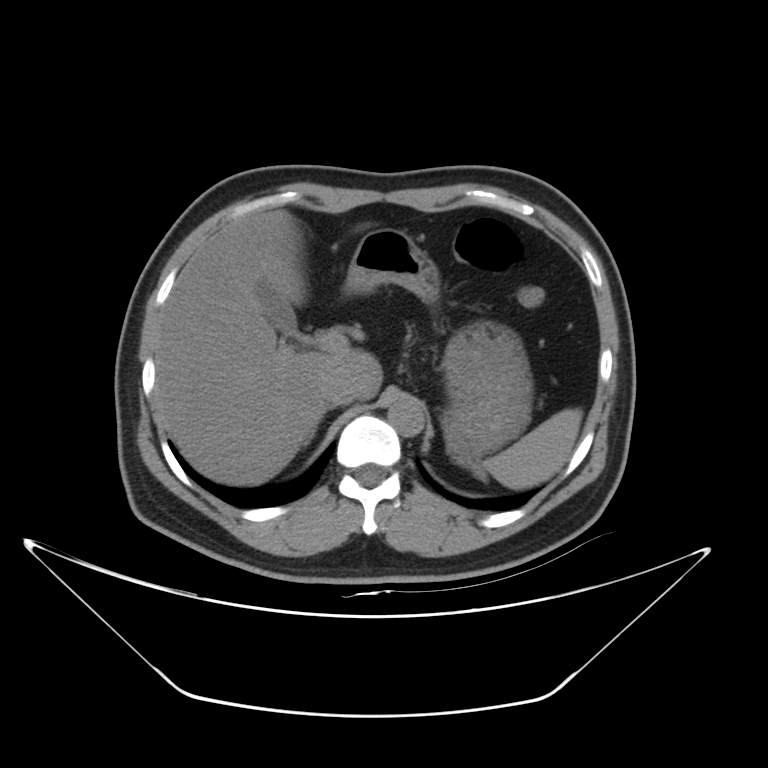 CT, abdomen/pelvis. axial view. soft-tissue window (W 400 / L 40). 40-year-old male patient
Coordinates as <box>x1,y1,x2,y2</box> in pixels. Labeled organs on this slice: gall bladder at <box>256,280,297,334</box>, spleen at <box>483,408,581,489</box>, stomach at <box>344,228,532,467</box>, aorta at <box>388,399,424,436</box>, inferior vena cava at <box>321,371,357,406</box>, liver at <box>155,209,382,485</box>.